Abdominal CT — Axial slice 104/187 — soft-tissue window — 512x512 px — scan has 15 labeled organs (a whole-scan count: organs this slice does not pass through have no box)
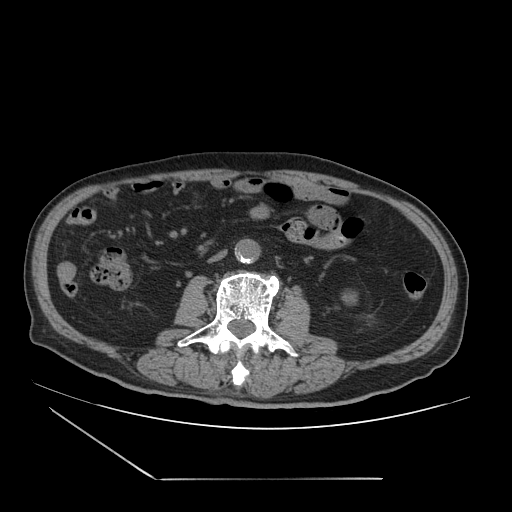

Each box given as x1,y1,x2,y2.
left kidney: x1=337, y1=285, x2=360, y2=308
aorta: x1=234, y1=238, x2=260, y2=263
inferior vena cava: x1=208, y1=250, x2=226, y2=263